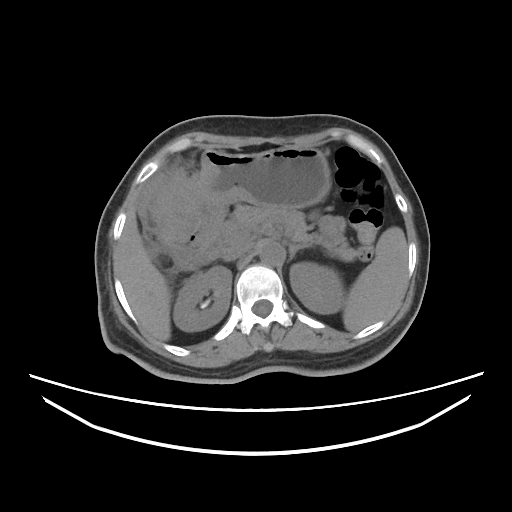

Abdominal CT; axial view; abdomen soft-tissue window; 512x512 px; 15 organs annotated in this scan (that count is for the whole scan; organs this slice misses have no box)
Each box given as x1,y1,x2,y2. Labeled organs on this slice: spleen at x1=343, y1=226, x2=407, y2=331, right kidney at x1=173, y1=266, x2=231, y2=331, left kidney at x1=290, y1=262, x2=343, y2=314, liver at x1=116, y1=206, x2=171, y2=341, stomach at x1=148, y1=145, x2=330, y2=248, aorta at x1=258, y1=240, x2=283, y2=265, inferior vena cava at x1=221, y1=244, x2=250, y2=261, pancreas at x1=210, y1=205, x2=357, y2=261, left adrenal gland at x1=288, y1=244, x2=309, y2=261, duodenum at x1=170, y1=240, x2=219, y2=269.